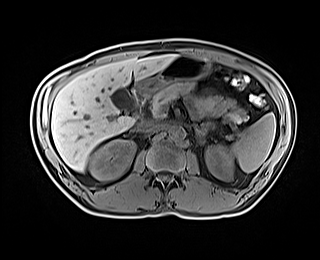 MRI, abdomen · axial view · 1st–99th percentile window · 13 organs annotated in this scan (that count is for the whole scan; organs this slice misses have no box)
One row per box, in pixels: columns x1 and y1 give the top-left corner, x2 and y2 the bottom-right.
| organ | x1 | y1 | x2 | y2 |
|---|---|---|---|---|
| spleen | 231 | 113 | 275 | 172 |
| right kidney | 89 | 139 | 135 | 180 |
| left kidney | 205 | 144 | 233 | 180 |
| gall bladder | 110 | 88 | 131 | 109 |
| liver | 51 | 54 | 176 | 171 |
| stomach | 132 | 55 | 209 | 99 |
| aorta | 169 | 126 | 185 | 141 |
| inferior vena cava | 139 | 121 | 160 | 132 |
| pancreas | 152 | 82 | 246 | 122 |
| left adrenal gland | 194 | 122 | 216 | 145 |
| duodenum | 125 | 93 | 146 | 117 |